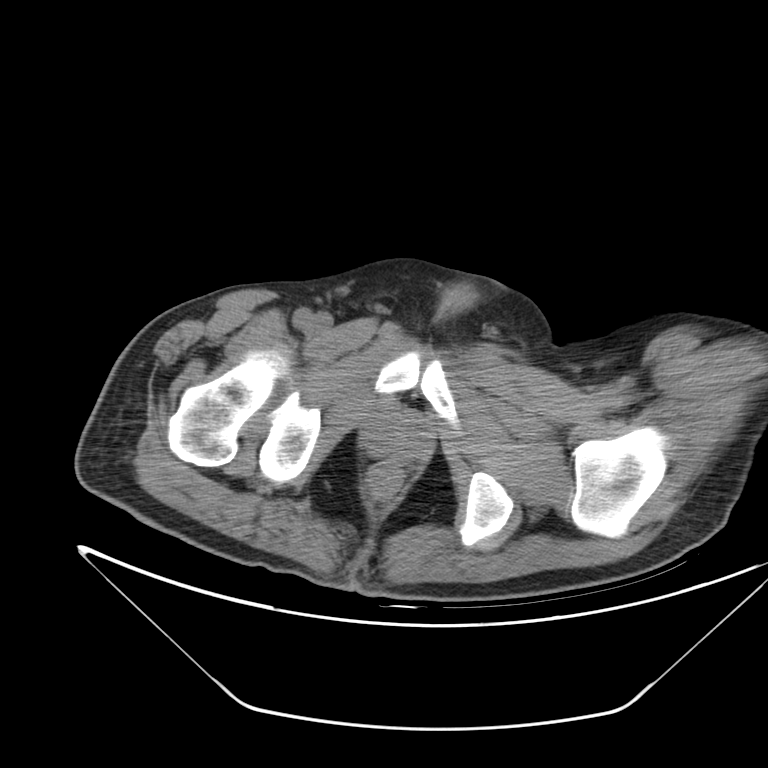 CT, abdomen/pelvis — axial view — abdomen soft-tissue window — Brilliance16 scanner — scan has 15 labeled organs (that count is for the whole scan; organs this slice misses have no box)
One row per box, in pixels: columns x1 and y1 give the top-left corner, x2 and y2 the bottom-right.
| organ | x1 | y1 | x2 | y2 |
|---|---|---|---|---|
| prostate/uterus | 366 | 413 | 429 | 458 |